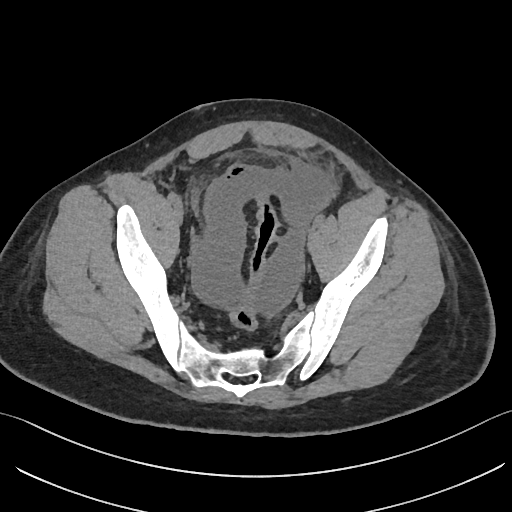

CT abdomen · axial view
Boxes are (x1, y1, x2, y2) in pixels.
Organ bounding boxes:
- bladder: (191, 185, 198, 214)